Abdominal CT. axial plane, index 193
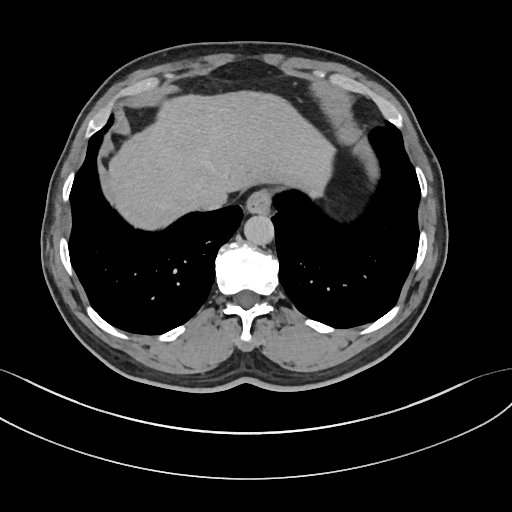

Boxes: x1:y1:x2:y2 in pixels. 4 labeled organs on this slice — esophagus at 246:189:272:213; liver at 106:90:336:231; aorta at 243:214:273:244; inferior vena cava at 197:188:228:210.